Computed tomography, abdomen · axial view · 80-year-old female patient
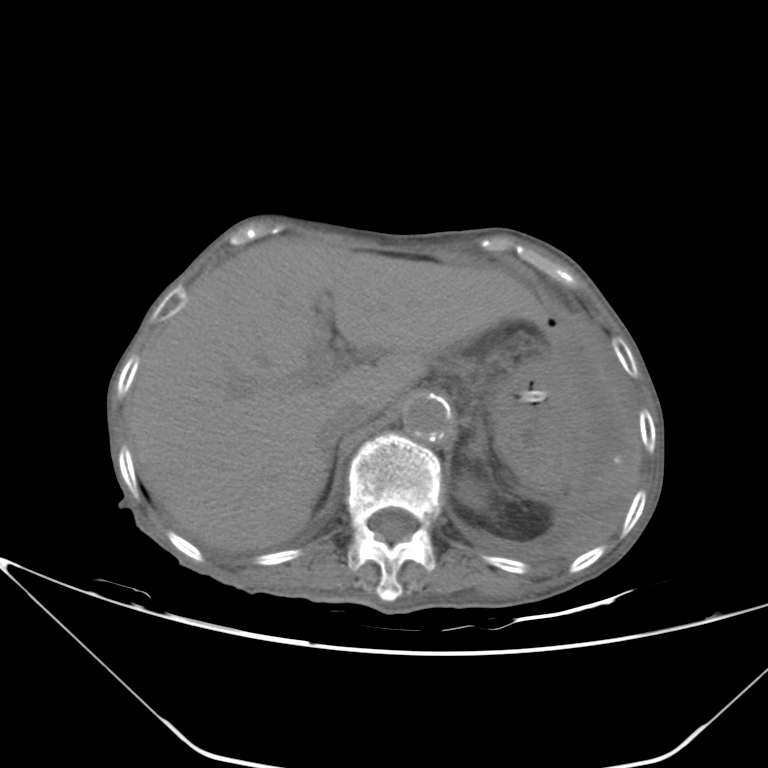
{"organs":{"left kidney":[458,476,489,510],"liver":[127,237,547,552],"stomach":[488,361,595,488],"aorta":[402,394,450,440],"inferior vena cava":[318,402,369,445],"left adrenal gland":[467,423,485,457]}}